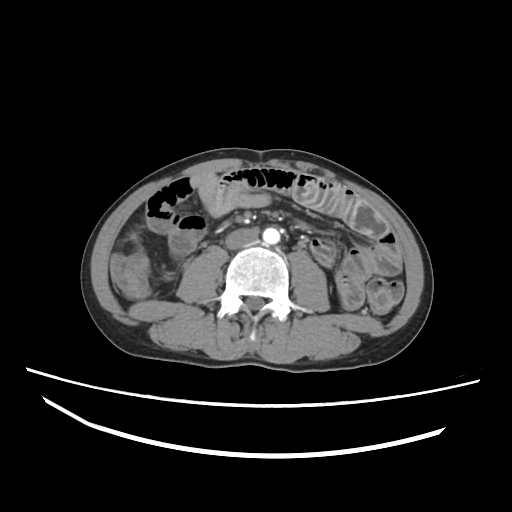 Abdominal CT; Axial slice 58/140
Coordinates as <box>x1,y1,x2,y2</box> in pixels.
Organ bounding boxes:
- aorta: <box>263,227,280,244</box>
- inferior vena cava: <box>225,227,259,249</box>